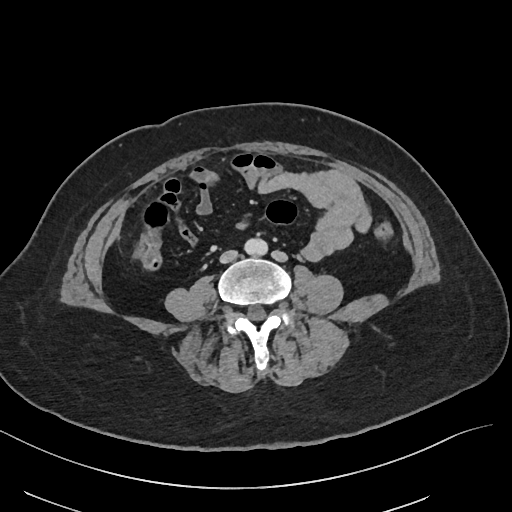
Abdominal CT · axial view · soft-tissue window (W 400 / L 40) · 512x512 px
Bounding boxes as [x1, y1, x2, y2] in pixel coordinates.
aorta: [244, 238, 267, 255]
inferior vena cava: [220, 250, 237, 263]